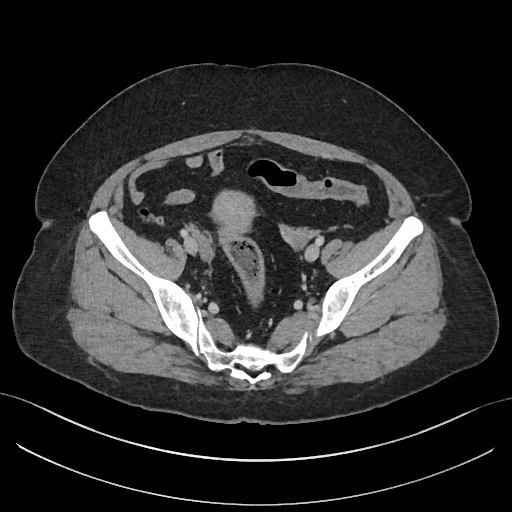

Computed tomography, abdomen — Axial slice 62/305 — abdomen soft-tissue window — 512x512 px — 15 organs annotated in this scan (counted over the whole 3D scan, not this slice; an organ is boxed only where this slice passes through it)
<organs><organ name="prostate/uterus" x1="212" y1="191" x2="255" y2="234"/></organs>